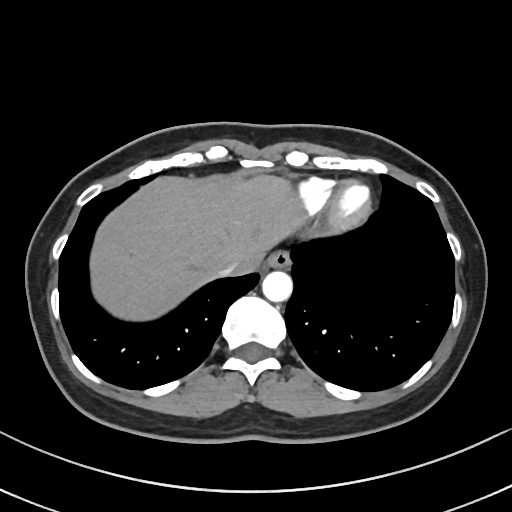 Abdominal CT · axial view · 512x512 px
Box edges are left/top/right/bottom in pixels. 4 labeled organs on this slice — esophagus at left=267, top=250, right=291, bottom=268; inferior vena cava at left=218, top=265, right=236, bottom=276; liver at left=90, top=174, right=306, bottom=320; aorta at left=262, top=271, right=292, bottom=302.